CT abdomen; axial view; W/L 400/40 HU; 512x512 px
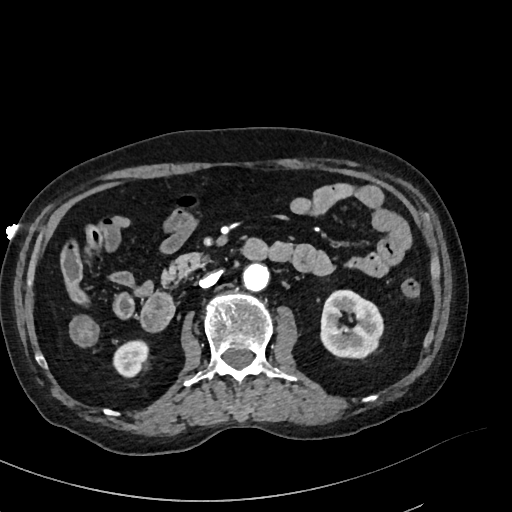
Organ boxes in pixel coordinates; each row gives the top-left (x1, y1) and bottom-right (x2, y2) corners.
| organ | x1 | y1 | x2 | y2 |
|---|---|---|---|---|
| duodenum | 140 | 237 | 268 | 330 |
| inferior vena cava | 200 | 270 | 220 | 287 |
| pancreas | 161 | 254 | 202 | 284 |
| left kidney | 320 | 290 | 382 | 359 |
| right kidney | 115 | 341 | 148 | 376 |
| aorta | 243 | 262 | 270 | 290 |